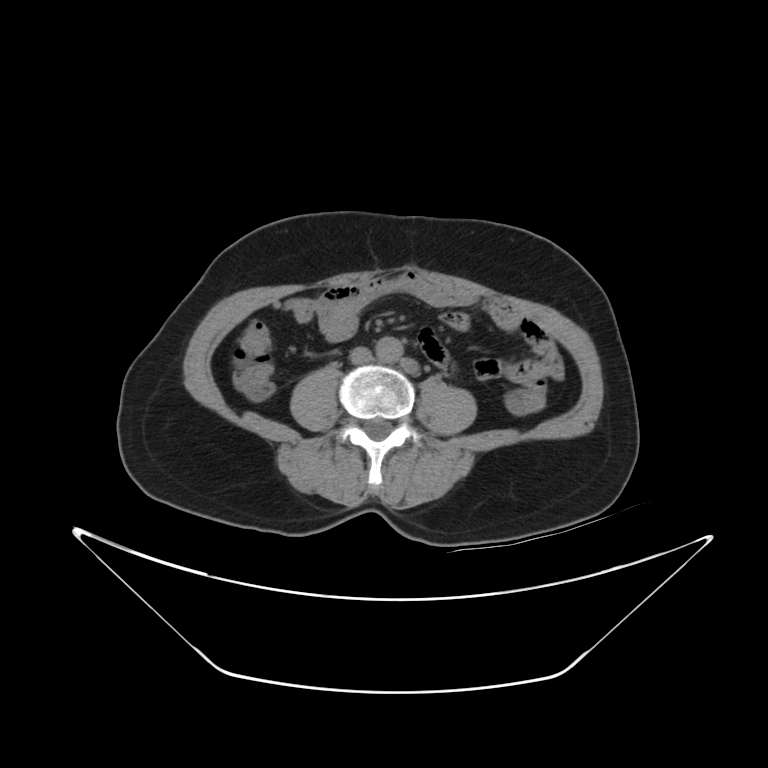
CT, abdomen/pelvis · axial view
Boxes are (x1, y1, x2, y2) in pixels. Labeled organs on this slice: aorta at (376, 335, 405, 364), inferior vena cava at (350, 348, 371, 365).